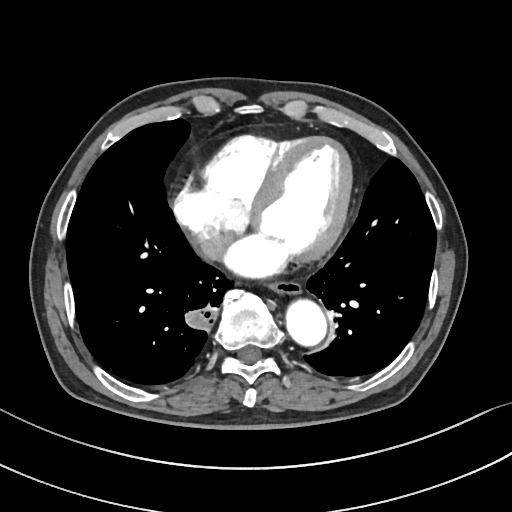
Abdominal CT; this slice is in the lower chest, just above the liver. axial view. W/L 400/40 HU. 512x512 px
Of the structures in the chest, this dataset labels only the esophagus, the aorta and the inferior vena cava; the heart and lungs have no label.
<organs><organ name="esophagus" x1="270" y1="281" x2="302" y2="296"/><organ name="aorta" x1="286" y1="302" x2="327" y2="347"/><organ name="inferior vena cava" x1="198" y1="232" x2="229" y2="258"/></organs>